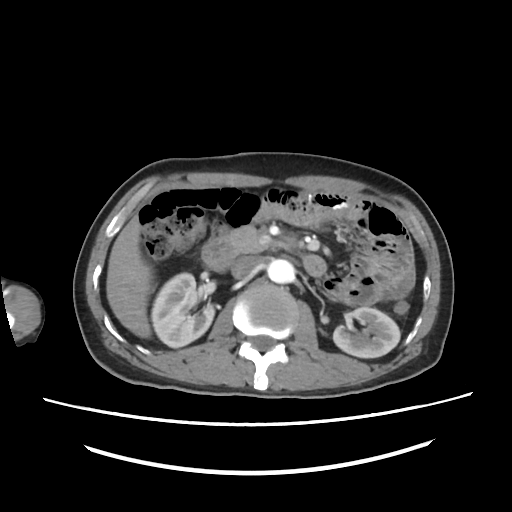

Abdominal CT; axial plane, index 67; 61-year-old male patient
Bounding boxes as [x1, y1, x2, y2] in pixel coordinates.
Organ bounding boxes:
- right kidney: [152, 273, 215, 346]
- left kidney: [332, 308, 400, 357]
- liver: [105, 217, 153, 337]
- aorta: [267, 258, 296, 283]
- inferior vena cava: [232, 254, 262, 278]
- pancreas: [230, 225, 270, 252]
- duodenum: [202, 236, 326, 275]